Computed tomography, abdomen — axial view — W/L 400/40 HU — 48-year-old female patient — scan has 15 labeled organs (that count is for the whole scan; organs this slice misses have no box)
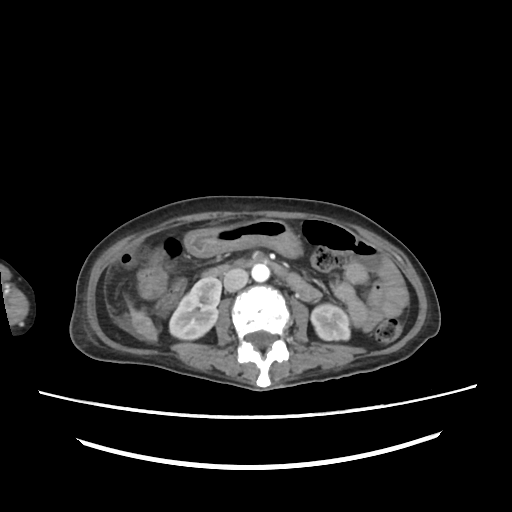
{"organs":{"right kidney":[169,278,220,339],"left kidney":[311,304,350,340],"liver":[128,302,157,341],"stomach":[184,219,301,256],"aorta":[251,264,269,281],"inferior vena cava":[223,268,248,291],"duodenum":[203,256,307,290]}}